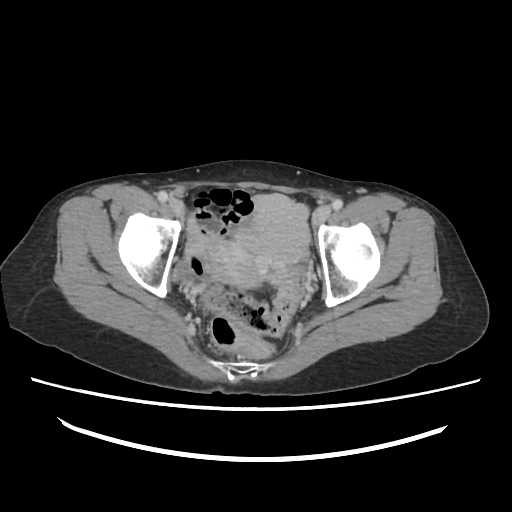 CT abdomen; axial view; 512x512 px; Aquilion ONE scanner
Boxes are (x1, y1, x2, y2) in pixels.
prostate/uterus: (212, 241, 261, 285)